Abdominal CT; axial view; 768x768 px; 51-year-old male patient; scan has 15 labeled organs (counted over the whole 3D scan, not this slice; an organ is boxed only where this slice passes through it)
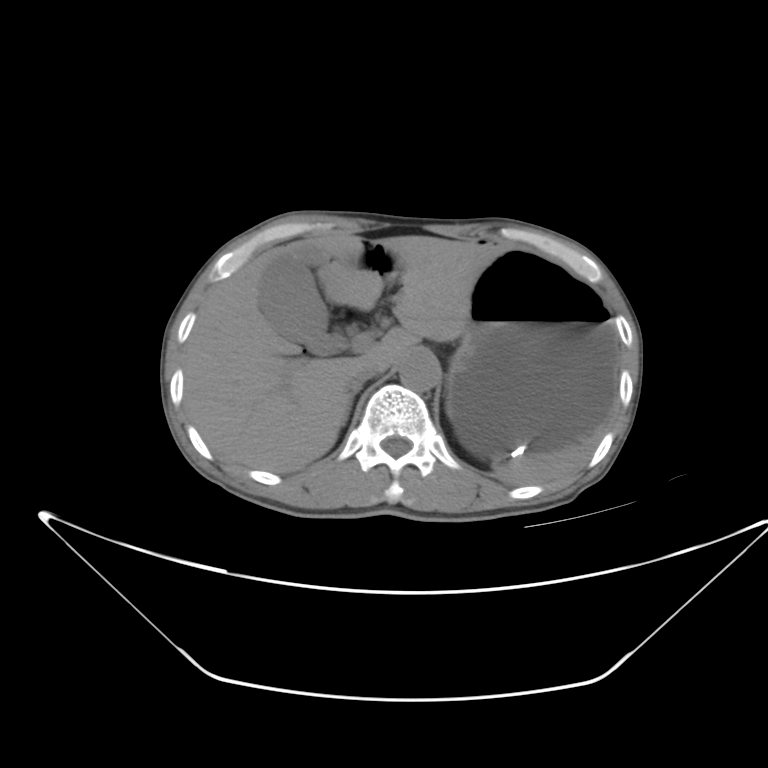 Organ boxes in pixel coordinates; each row gives the top-left (x1, y1) and bottom-right (x2, y2) corners.
| organ | x1 | y1 | x2 | y2 |
|---|---|---|---|---|
| spleen | 492 | 423 | 605 | 484 |
| gall bladder | 261 | 251 | 348 | 354 |
| liver | 185 | 234 | 504 | 471 |
| stomach | 445 | 250 | 620 | 459 |
| aorta | 399 | 351 | 440 | 389 |
| inferior vena cava | 341 | 362 | 376 | 393 |
| right adrenal gland | 342 | 397 | 352 | 426 |